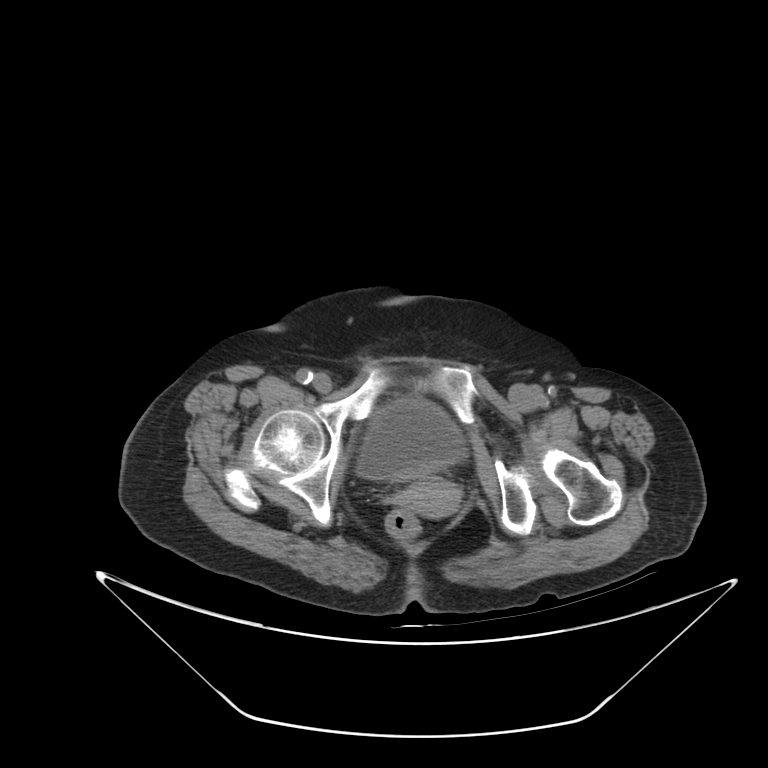
Abdominal CT · axial view · soft-tissue window (W 400 / L 40) · 768x768 px · 78-year-old female patient
Box edges are left/top/right/bottom in pixels.
Organ bounding boxes:
- bladder: left=356, top=397, right=466, bottom=479
- prostate/uterus: left=399, top=477, right=460, bottom=518